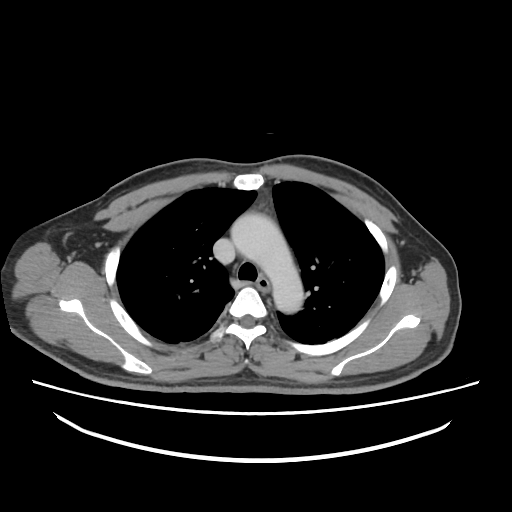
Chest-level slice from an abdominal CT that extends up into the chest. axial view. soft-tissue window, W/L 400/40. 31-year-old male patient. Aquilion ONE scanner
On a slice this high in the chest, this dataset labels only the esophagus and the aorta, and each is boxed only where it is labeled; the heart, lungs and other chest structures are not labeled.
Boxes are (x1, y1, x2, y2) in pixels.
esophagus: (255, 277, 269, 292)
aorta: (231, 213, 303, 313)